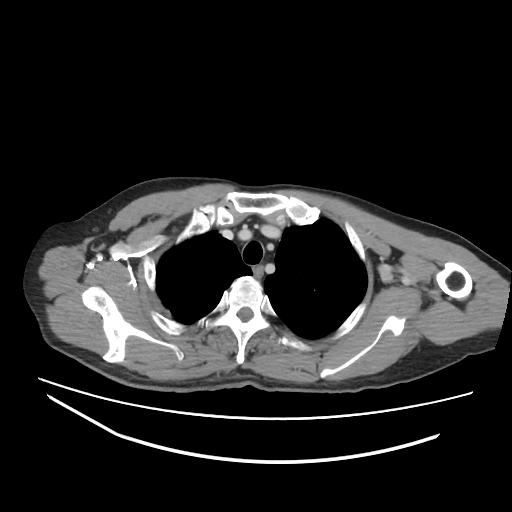

Abdominal CT reaching into the chest; this slice is in the chest. axial view. 54-year-old male patient. 15 organs annotated in this scan (a whole-scan count: organs this slice does not pass through have no box)
At this level of the chest no structure but the esophagus and the aorta has a label in this dataset, and those two are boxed only where they are labeled.
<organs><organ name="esophagus" x1="251" y1="263" x2="263" y2="276"/></organs>